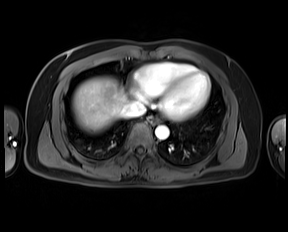

Abdominal MR; axial view; 288x232 px
<organs><organ name="esophagus" x1="147" y1="116" x2="159" y2="124"/><organ name="liver" x1="72" y1="77" x2="128" y2="132"/><organ name="aorta" x1="155" y1="125" x2="169" y2="139"/><organ name="inferior vena cava" x1="122" y1="101" x2="145" y2="117"/></organs>